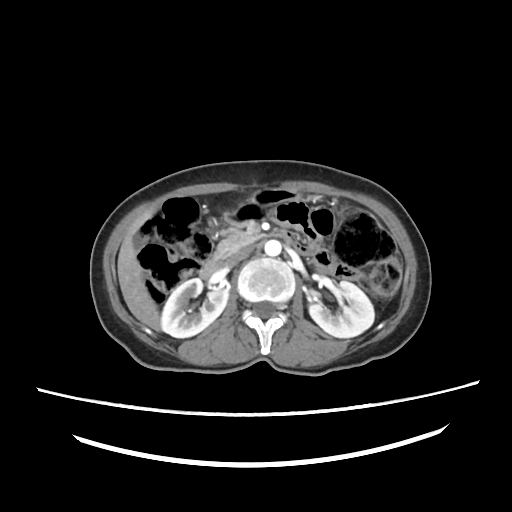

Computed tomography, abdomen · Axial slice 54/82 · 15 organs annotated in this scan (that count is for the whole scan; organs this slice misses have no box)
<organs><organ name="right kidney" x1="161" y1="278" x2="230" y2="337"/><organ name="left kidney" x1="309" y1="281" x2="373" y2="337"/><organ name="gall bladder" x1="132" y1="233" x2="147" y2="248"/><organ name="liver" x1="117" y1="201" x2="160" y2="331"/><organ name="stomach" x1="230" y1="187" x2="300" y2="220"/><organ name="aorta" x1="265" y1="240" x2="281" y2="256"/><organ name="inferior vena cava" x1="226" y1="246" x2="252" y2="264"/><organ name="pancreas" x1="214" y1="230" x2="263" y2="259"/><organ name="duodenum" x1="198" y1="259" x2="225" y2="280"/></organs>